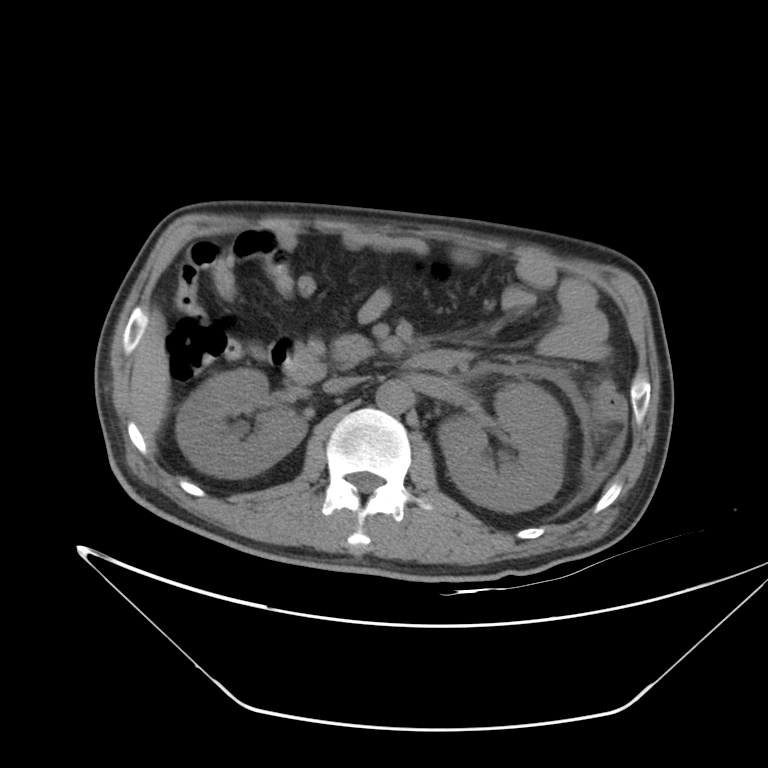

CT abdomen — axial view — soft-tissue window (W 400 / L 40) — 47-year-old male patient — acquired on Brilliance16 — 15 organs annotated in this scan (a whole-scan count: organs this slice does not pass through have no box)
<organs><organ name="right kidney" x1="176" y1="369" x2="306" y2="477"/><organ name="left kidney" x1="438" y1="382" x2="566" y2="512"/><organ name="liver" x1="131" y1="334" x2="168" y2="436"/><organ name="aorta" x1="375" y1="381" x2="412" y2="413"/><organ name="inferior vena cava" x1="323" y1="377" x2="361" y2="393"/><organ name="pancreas" x1="332" y1="335" x2="372" y2="365"/><organ name="duodenum" x1="284" y1="351" x2="456" y2="384"/></organs>